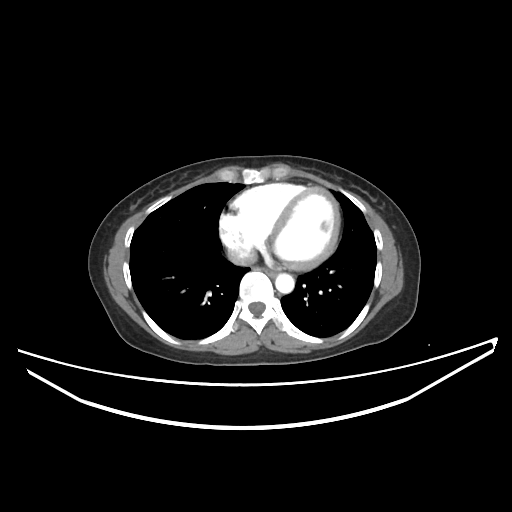
CT of the abdomen reaching into the lower chest, slice just above the liver and spleen. Axial slice 93/126. soft-tissue window (W 400 / L 40). acquired on Aquilion ONE
The heart and lungs are never labeled in this dataset, so they have no box on this slice.
Coordinates as <box>x1,y1,x2,y2</box> in pixels.
aorta: <box>275,273,294,293</box>
inferior vena cava: <box>227,246,257,265</box>
esophagus: <box>266,270,276,276</box>